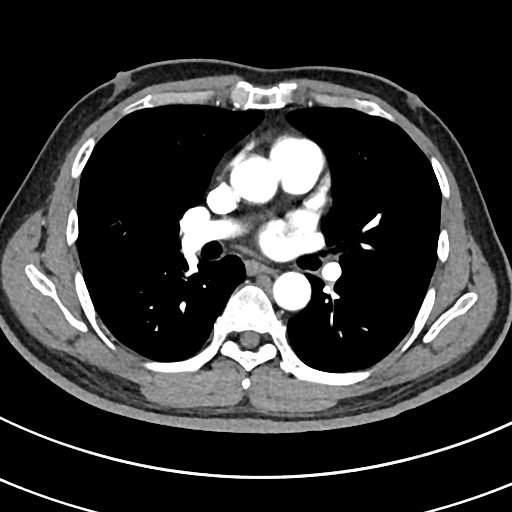

Chest-level CT slice, above the liver and spleen — Axial slice 233/302 — acquired on SOMATOM Force
At this level of the chest no structure but the esophagus and the aorta has a label in this dataset, and those two are boxed only where they are labeled.
<organs><organ name="aorta" x1="229" y1="155" x2="276" y2="202"/><organ name="aorta" x1="272" y1="271" x2="310" y2="310"/><organ name="esophagus" x1="250" y1="264" x2="271" y2="272"/></organs>